Chest-level CT slice, above the liver and spleen — Axial slice 209/298 — soft-tissue window (W 400 / L 40) — 512x512 px — acquired on SOMATOM Force
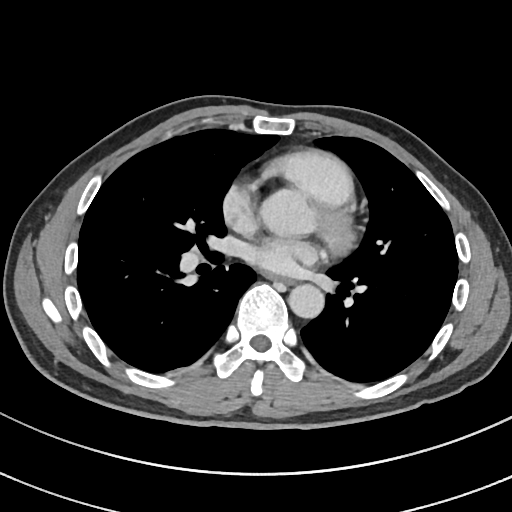 At this level of the chest no structure but the esophagus and the aorta has a label in this dataset, and those two are boxed only where they are labeled.
Bounding boxes as [x1, y1, x2, y2] in pixel coordinates.
Organ bounding boxes:
- esophagus: [272, 277, 289, 282]
- aorta: [288, 284, 324, 318]